Computed tomography, abdomen. Axial slice 119/204. soft-tissue window (W 400 / L 40)
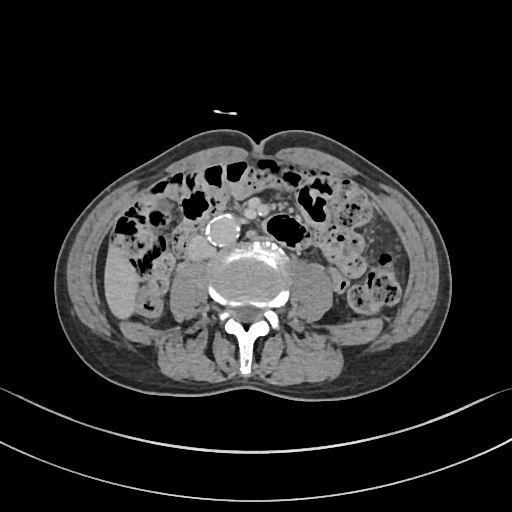

{"organs":{"liver":[104,245,139,318],"aorta":[208,215,239,245],"inferior vena cava":[188,237,215,259]}}